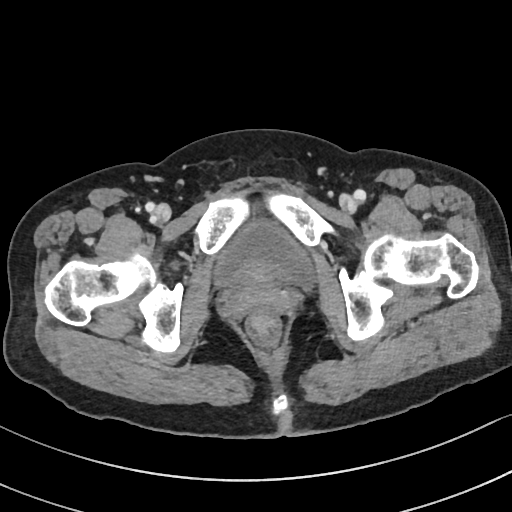
Abdominal CT. axial plane, index 23. soft-tissue window (W 400 / L 40)
{"organs":{"bladder":[216,221,313,286]}}